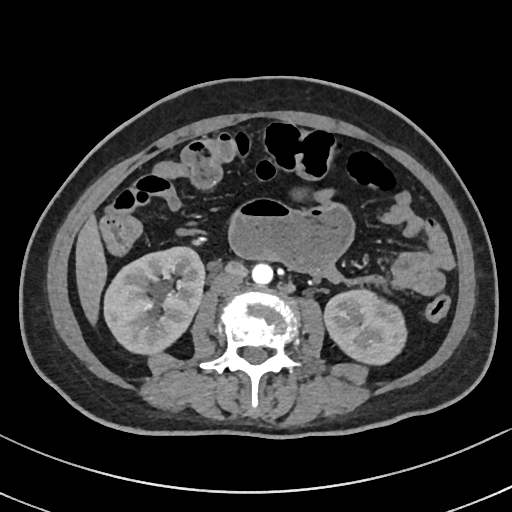
CT, abdomen/pelvis. axial view. W/L 400/40 HU. 512x512 px
One row per box, in pixels: columns x1 and y1 give the top-left corner, x2 and y2 the bottom-right.
| organ | x1 | y1 | x2 | y2 |
|---|---|---|---|---|
| right kidney | 104 | 247 | 204 | 353 |
| left kidney | 324 | 289 | 406 | 364 |
| liver | 75 | 216 | 107 | 324 |
| inferior vena cava | 211 | 273 | 242 | 294 |
| aorta | 252 | 263 | 273 | 285 |